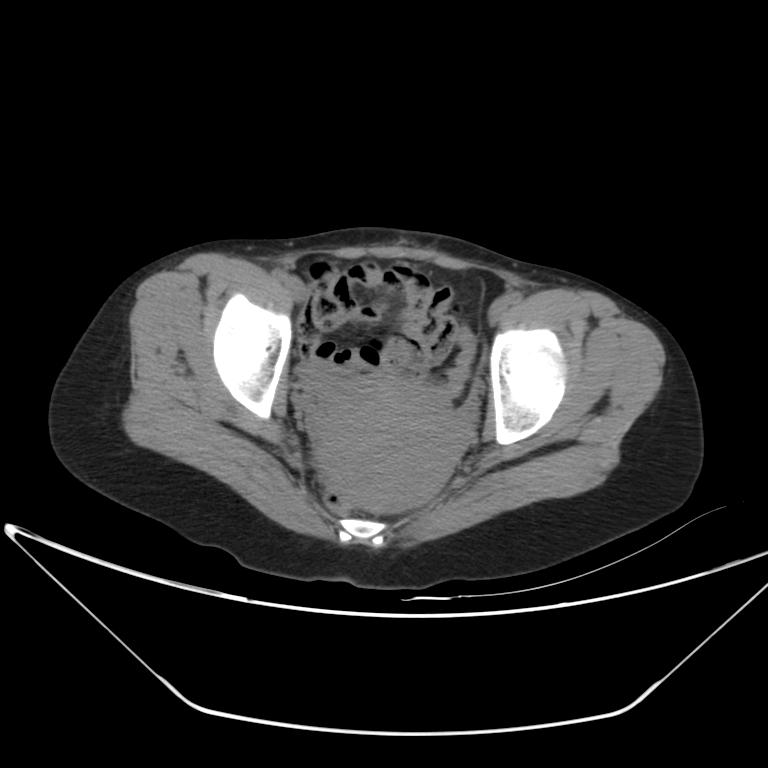
Abdominal CT. axial view. 768x768 px
{"organs":{"prostate/uterus":[305,371,464,511]}}